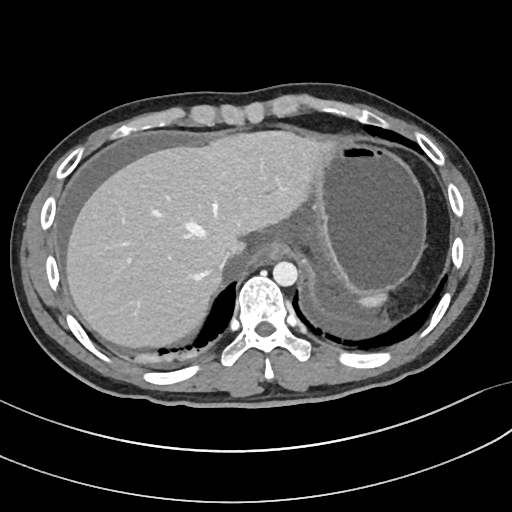
Abdominal CT. axial view. abdomen soft-tissue window. SOMATOM Force scanner
<organs><organ name="spleen" x1="359" y1="294" x2="386" y2="307"/><organ name="esophagus" x1="261" y1="244" x2="286" y2="261"/><organ name="liver" x1="65" y1="131" x2="319" y2="348"/><organ name="stomach" x1="273" y1="138" x2="426" y2="299"/><organ name="aorta" x1="272" y1="261" x2="297" y2="286"/><organ name="inferior vena cava" x1="221" y1="252" x2="228" y2="269"/></organs>